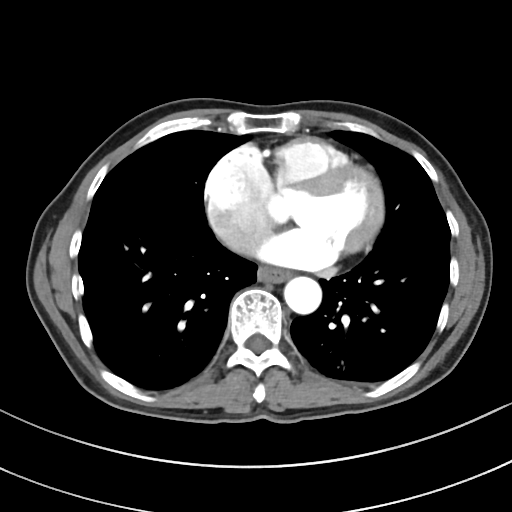

Lower-chest slice from an abdominal CT, just above the liver and spleen · axial view · soft-tissue window (W 400 / L 40) · 512x512 px · 15 organs annotated in this scan (counted over the whole 3D scan, not this slice; an organ is boxed only where this slice passes through it)
Of the structures in the chest, this dataset labels only the esophagus, the aorta and the inferior vena cava; the heart and lungs have no label.
{"organs":{"esophagus":[257,267,289,283],"aorta":[283,276,322,314]}}